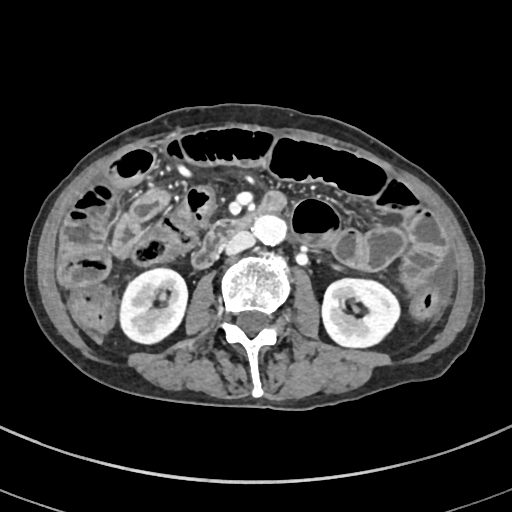

CT, abdomen/pelvis; axial view; 14 organs annotated in this scan (that count is for the whole scan; organs this slice misses have no box)
Boxes: x1:y1:x2:y2 in pixels.
right kidney: 120:268:187:343
left kidney: 322:278:399:347
aorta: 252:215:286:245
inferior vena cava: 223:230:254:254
duodenum: 192:191:286:268